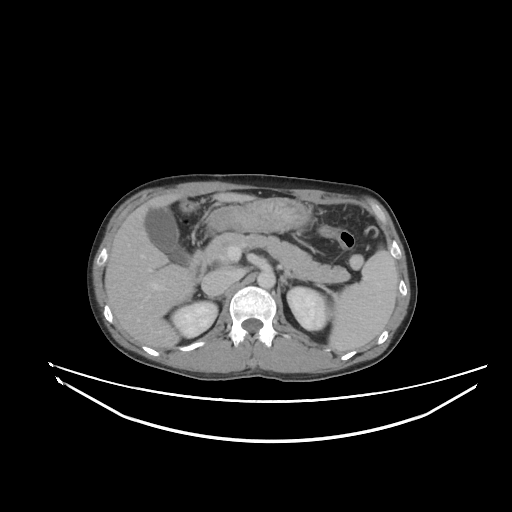 CT abdomen; axial view; 512x512 px
Each box given as x1,y1,x2,y2.
spleen: x1=329, y1=249, x2=398, y2=352
right kidney: x1=171, y1=301, x2=217, y2=338
left kidney: x1=287, y1=286, x2=327, y2=330
gall bladder: x1=145, y1=207, x2=188, y2=265
liver: x1=104, y1=192, x2=255, y2=348
stomach: x1=206, y1=197, x2=311, y2=232
aorta: x1=257, y1=270, x2=275, y2=288
inferior vena cava: x1=201, y1=270, x2=240, y2=296
pancreas: x1=204, y1=232, x2=350, y2=283
right adrenal gland: x1=208, y1=296, x2=221, y2=299
left adrenal gland: x1=283, y1=270, x2=302, y2=279
duodenum: x1=187, y1=250, x2=206, y2=280